Abdominal CT — axial view — soft-tissue window (W 400 / L 40) — scan has 15 labeled organs (that count is for the whole scan; organs this slice misses have no box)
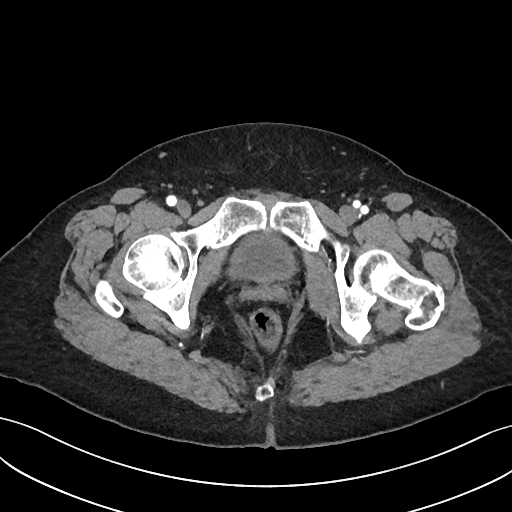
Each box given as x1,y1,x2,y2.
bladder: x1=231, y1=235, x2=293, y2=279